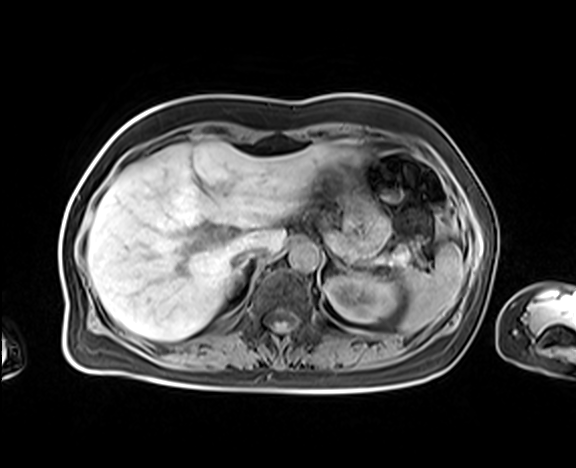

MRI, abdomen; axial view; percentile-normalized; 576x468 px
<organs><organ name="spleen" x1="400" y1="243" x2="464" y2="332"/><organ name="left kidney" x1="326" y1="273" x2="397" y2="322"/><organ name="liver" x1="87" y1="142" x2="362" y2="340"/><organ name="stomach" x1="334" y1="164" x2="390" y2="254"/><organ name="aorta" x1="289" y1="241" x2="319" y2="270"/><organ name="inferior vena cava" x1="233" y1="244" x2="267" y2="267"/><organ name="pancreas" x1="328" y1="233" x2="417" y2="265"/><organ name="right adrenal gland" x1="237" y1="264" x2="245" y2="276"/><organ name="left adrenal gland" x1="237" y1="274" x2="241" y2="277"/></organs>